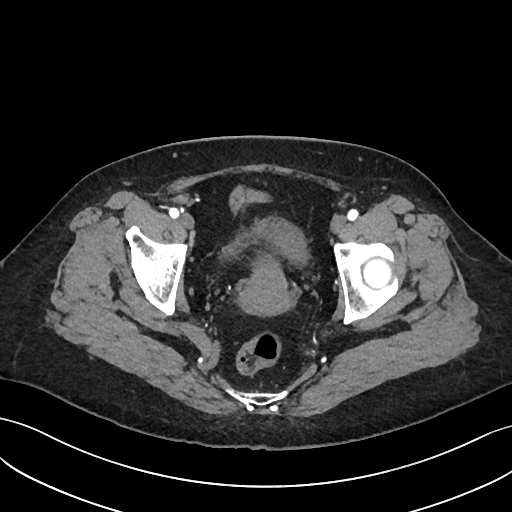

CT abdomen — axial view — SOMATOM Force scanner
Bounding boxes as [x1, y1, x2, y2] in pixel coordinates.
bladder: [224, 220, 305, 260]
prostate/uterus: [239, 252, 291, 315]